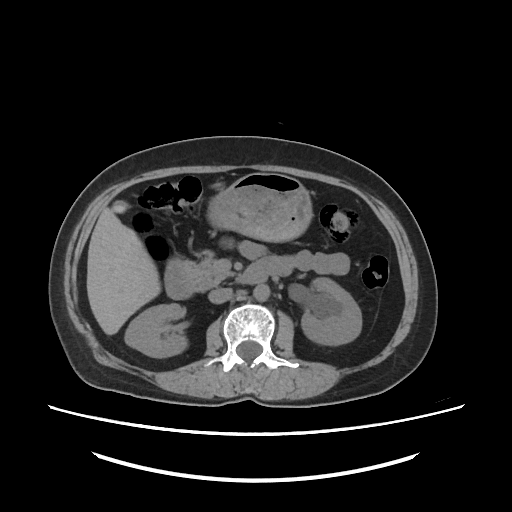
Abdominal CT — axial plane, index 59
Boxes are (x1, y1, x2, y2) in pixels.
Organ bounding boxes:
- right kidney: (126, 302, 185, 358)
- left kidney: (300, 279, 359, 344)
- gall bladder: (112, 201, 129, 211)
- liver: (87, 206, 161, 335)
- stomach: (210, 173, 312, 241)
- aorta: (254, 284, 269, 300)
- inferior vena cava: (208, 287, 233, 303)
- pancreas: (185, 258, 224, 289)
- duodenum: (165, 259, 267, 298)